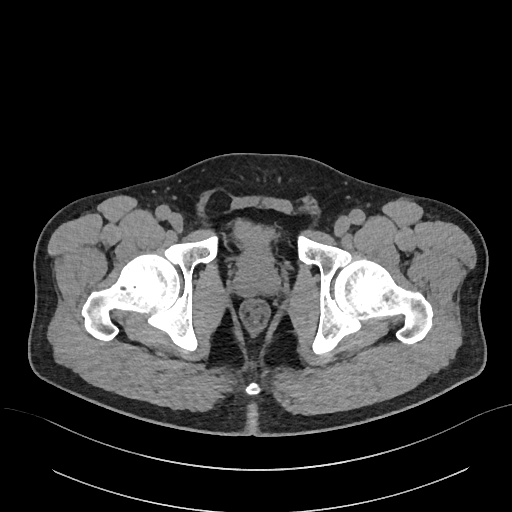

Abdominal CT · axial view · 15 organs annotated in this scan (a whole-scan count: organs this slice does not pass through have no box)
<organs><organ name="prostate/uterus" x1="234" y1="259" x2="279" y2="296"/><organ name="bladder" x1="235" y1="221" x2="272" y2="264"/></organs>